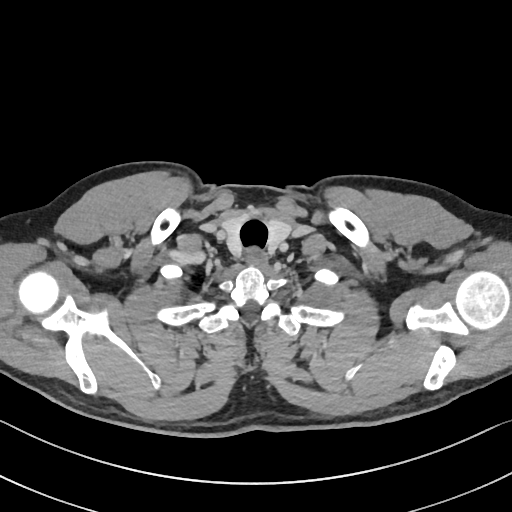 CT of the abdomen extending into the chest, slice through the chest; axial plane, index 285; soft-tissue window; 512x512 px
On a slice this high in the chest, this dataset labels only the esophagus and the aorta, and each is boxed only where it is labeled; the heart, lungs and other chest structures are not labeled.
Boxes: x1 y1 x2 y2 (pixel coords, space-separated).
esophagus: 244 248 268 267